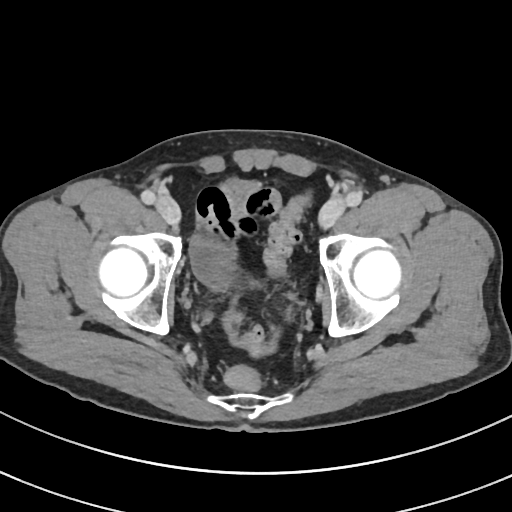
CT, abdomen/pelvis. axial plane, index 29. 512x512 px
One row per box, in pixels: columns x1 and y1 give the top-left corner, x2 and y2 the bottom-right.
| organ | x1 | y1 | x2 | y2 |
|---|---|---|---|---|
| bladder | 189 | 235 | 236 | 290 |